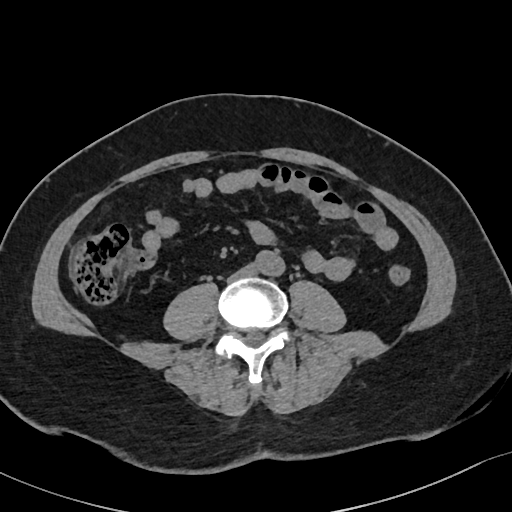 CT, abdomen/pelvis — Axial slice 91/192 — W/L 400/40 HU
Coordinates as <box>x1,y1,x2,y2</box> in pixels.
Organ bounding boxes:
- aorta: <box>255,250,283,276</box>
- inferior vena cava: <box>229,265,254,281</box>